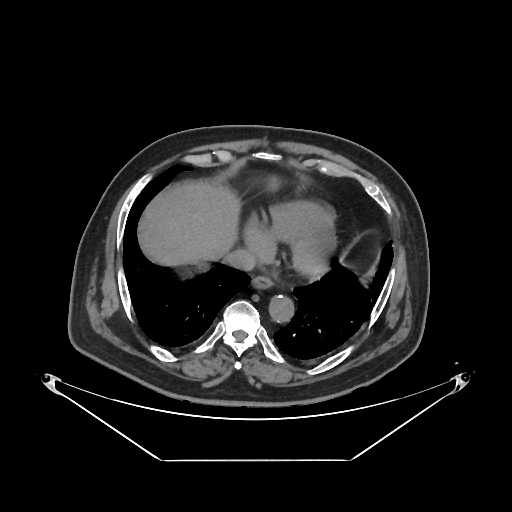 Abdominal CT — axial view
Bounding boxes as [x1, y1, x2, y2] in pixel coordinates. The annotated organs in this slice are: esophagus at [251, 276, 272, 289], liver at [138, 183, 240, 266], aorta at [269, 295, 294, 322], inferior vena cava at [224, 249, 256, 270].